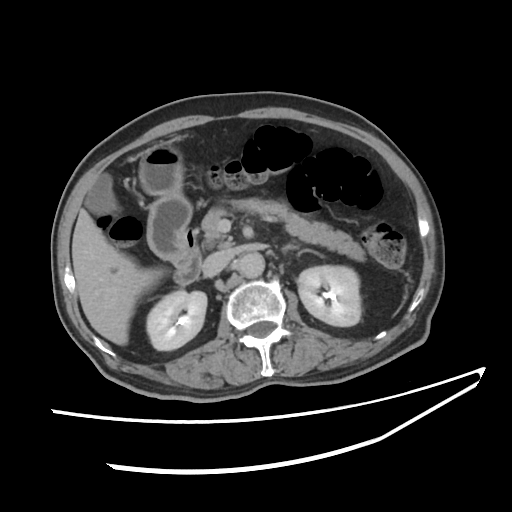
Computed tomography, abdomen — axial view
{"organs":{"right kidney":[145,290,208,350],"left adrenal gland":[282,245,302,253],"gall bladder":[88,173,123,218],"inferior vena cava":[203,252,229,276],"duodenum":[171,217,200,285],"pancreas":[201,197,365,260],"stomach":[139,140,192,261],"left kidney":[297,265,361,325],"liver":[72,207,164,345],"aorta":[237,252,265,277]}}